CT, abdomen/pelvis. axial plane, index 40. 512x512 px. scan has 15 labeled organs (a whole-scan count: organs this slice does not pass through have no box)
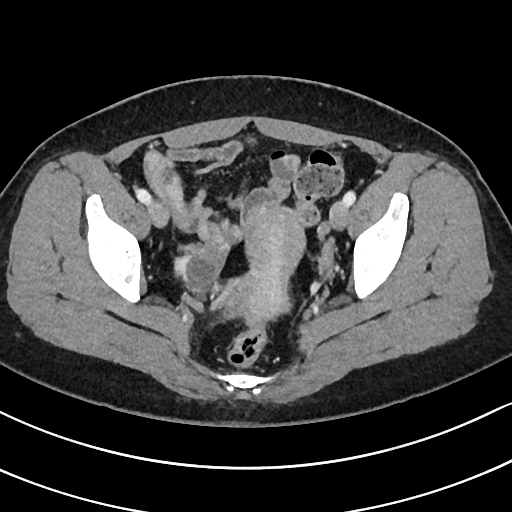

Bounding boxes in pixels, one row per box: x1, y1 is the top-left corner and x2, y2 the bottom-right.
| organ | x1 | y1 | x2 | y2 |
|---|---|---|---|---|
| prostate/uterus | 233 | 206 | 306 | 322 |